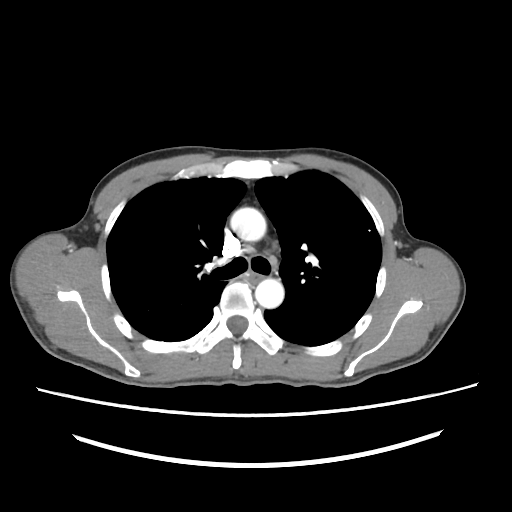 CT of the abdomen extending into the chest, slice through the chest — Axial slice 72/90 — soft-tissue window (W 400 / L 40) — 512x512 px — 13 organs annotated in this scan (that count is for the whole scan; organs this slice misses have no box)
At this level of the chest no structure but the esophagus and the aorta has a label in this dataset, and those two are boxed only where they are labeled.
<organs><organ name="aorta" x1="232" y1="207" x2="265" y2="239"/><organ name="aorta" x1="255" y1="278" x2="284" y2="307"/></organs>